Chest-level CT slice, above the liver and spleen. axial view. soft-tissue window (W 400 / L 40)
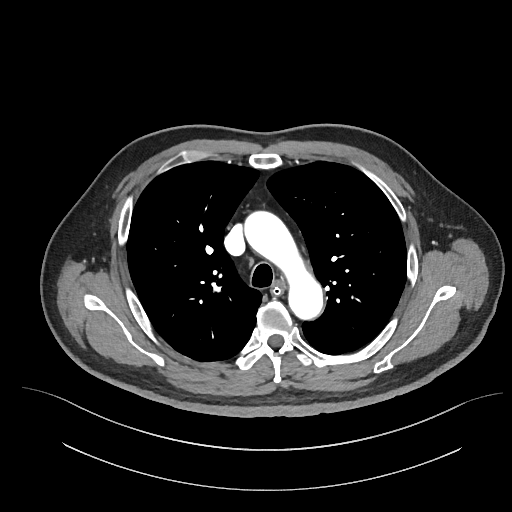
At this level of the chest this dataset labels only the esophagus and the aorta, and each is boxed only where it is labeled; the heart and lungs are never labeled.
<organs><organ name="aorta" x1="243" y1="210" x2="324" y2="321"/><organ name="esophagus" x1="272" y1="282" x2="284" y2="294"/></organs>